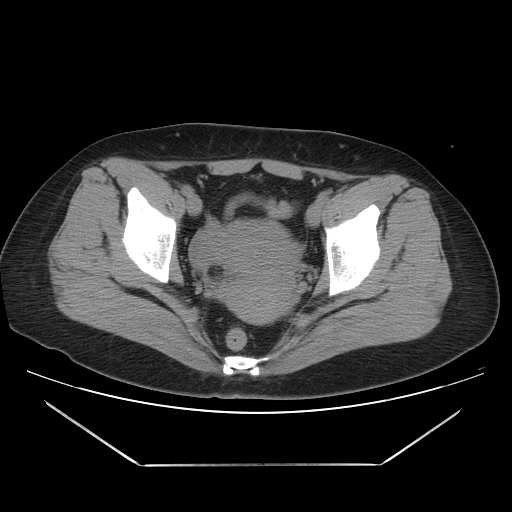 CT, abdomen/pelvis · axial view · soft-tissue window (W 400 / L 40) · 512x512 px · acquired on SOMATOM Force
One row per box, in pixels: columns x1 and y1 give the top-left corner, x2 and y2 the bottom-right.
| organ | x1 | y1 | x2 | y2 |
|---|---|---|---|---|
| prostate/uterus | 214 | 220 | 296 | 323 |